CT, abdomen/pelvis — axial view
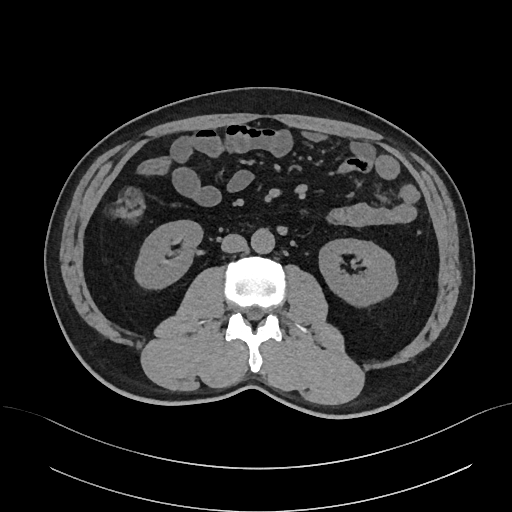 Boxes: x1:y1:x2:y2 in pixels.
right kidney: 135:220:202:288
left kidney: 319:239:397:306
aorta: 251:228:274:253
inferior vena cava: 221:234:247:253